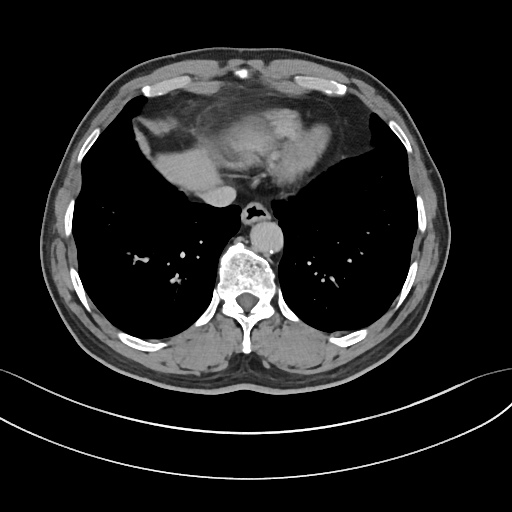

Abdominal CT — Axial slice 203/224 — W/L 400/40 HU — 512x512 px
Boxes: x1 y1 x2 y2 (pixel coords, space-separated).
esophagus: 240 202 270 224
liver: 154 147 219 191
aorta: 250 221 283 253
inferior vena cava: 198 185 235 207